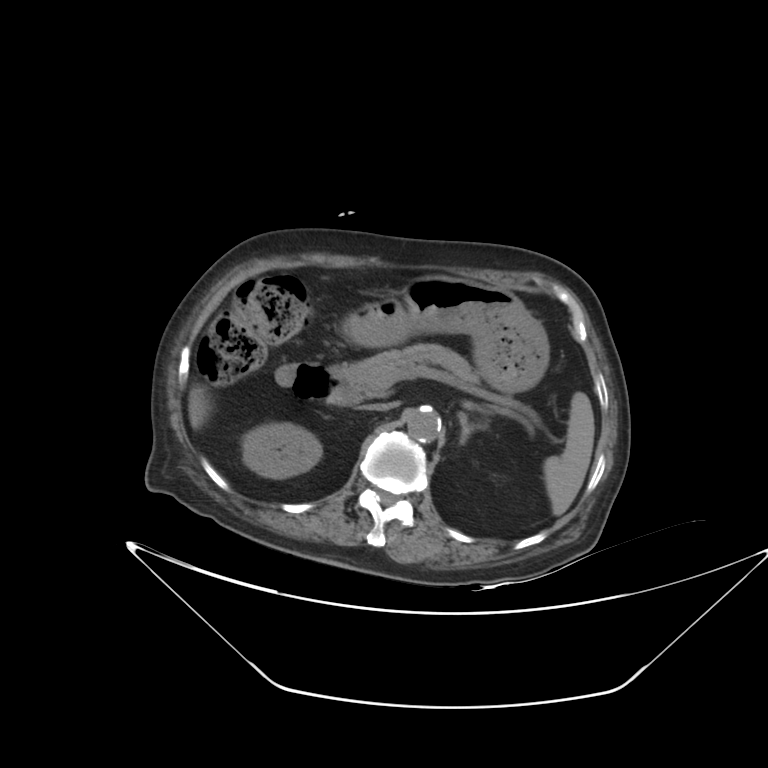

CT abdomen. axial view. soft-tissue window (W 400 / L 40). 768x768 px
Coordinates as <box>x1,y1,x2,y2</box> in pixels.
Organ bounding boxes:
- spleen: <box>543,392,594,515</box>
- right kidney: <box>242,422,321,478</box>
- liver: <box>189,385,209,428</box>
- stomach: <box>344,275,549,392</box>
- aorta: <box>407,407,441,442</box>
- inferior vena cava: <box>362,402,395,411</box>
- pancreas: <box>331,343,480,398</box>
- left adrenal gland: <box>458,412,478,444</box>
- duodenum: <box>276,363,348,403</box>